MRI, abdomen · axial view
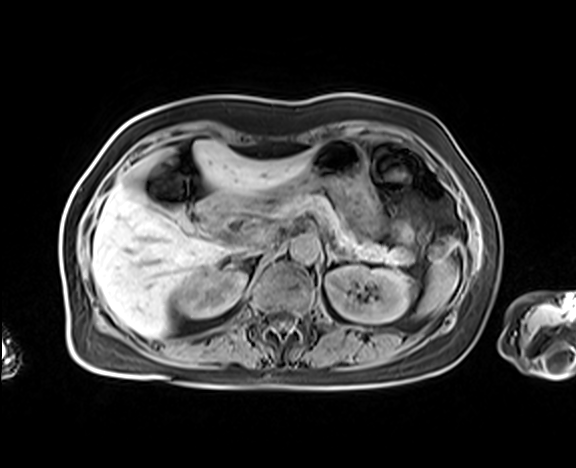
<organs><organ name="spleen" x1="418" y1="259" x2="458" y2="316"/><organ name="right kidney" x1="178" y1="268" x2="245" y2="318"/><organ name="left kidney" x1="325" y1="266" x2="413" y2="323"/><organ name="liver" x1="92" y1="140" x2="312" y2="337"/><organ name="stomach" x1="234" y1="139" x2="381" y2="235"/><organ name="aorta" x1="290" y1="234" x2="320" y2="262"/><organ name="inferior vena cava" x1="240" y1="240" x2="272" y2="256"/><organ name="pancreas" x1="275" y1="193" x2="412" y2="263"/><organ name="left adrenal gland" x1="325" y1="245" x2="347" y2="265"/><organ name="duodenum" x1="198" y1="194" x2="237" y2="229"/></organs>